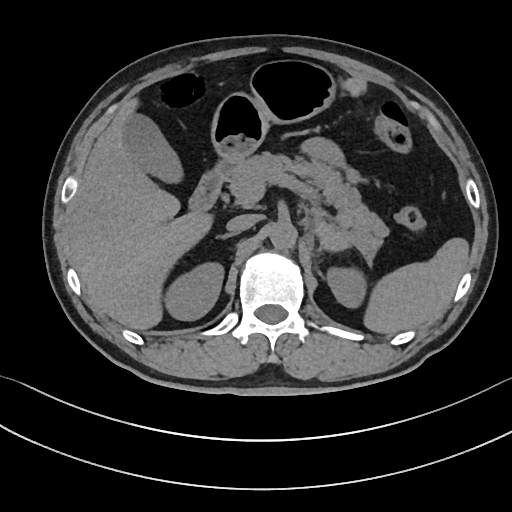
Abdominal CT · axial view · 512x512 px · SOMATOM Force scanner
Boxes: x1 y1 x2 y2 (pixel coords, space-separated).
liver: 67 98 211 329
right adrenal gland: 217 233 232 239
aorta: 270 221 296 249
gall bladder: 122 113 181 181
pancreas: 226 152 388 238
stomach: 211 60 334 163
spleen: 365 238 468 334
duodenum: 187 158 232 212
inferior vena cava: 226 214 259 232
left kidney: 326 266 365 309
right kidney: 166 262 224 320